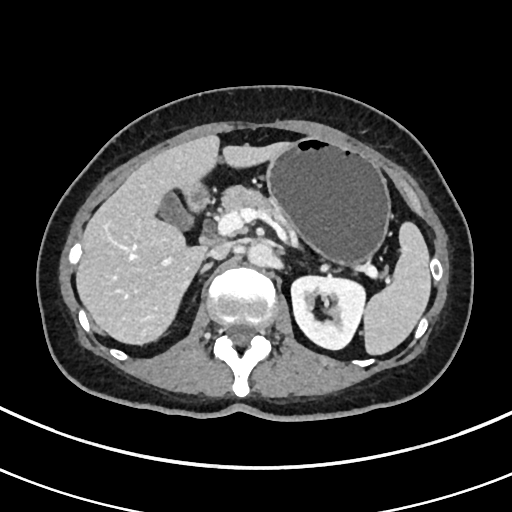 CT abdomen · axial view · 512x512 px · 15 organs annotated in this scan (a whole-scan count: organs this slice does not pass through have no box)
Boxes: x1:y1:x2:y2 in pixels.
spleen: 363:220:430:354
left kidney: 291:275:366:349
gall bladder: 156:191:190:226
liver: 76:135:288:343
stomach: 265:137:390:265
aorta: 247:241:273:267
inferior vena cava: 207:243:228:259
pancreas: 218:185:293:229
right adrenal gland: 202:263:209:270
duodenum: 182:180:211:214